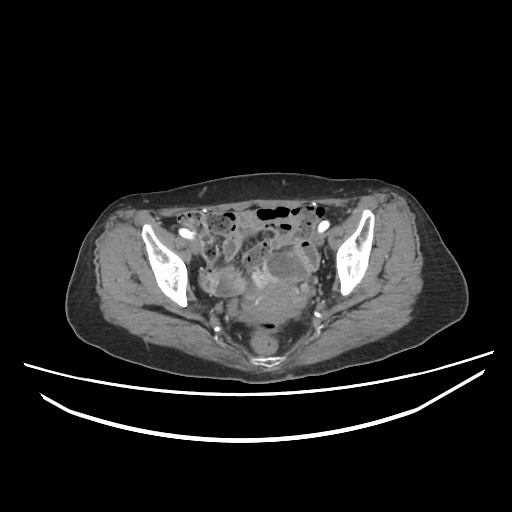

Computed tomography, abdomen. axial view. soft-tissue window. 512x512 px
Each box given as x1,y1,x2,y2. The annotated organs in this slice are: prostate/uterus at x1=242, y1=285, x2=298, y2=322.